Abdominal CT; axial view; 768x768 px
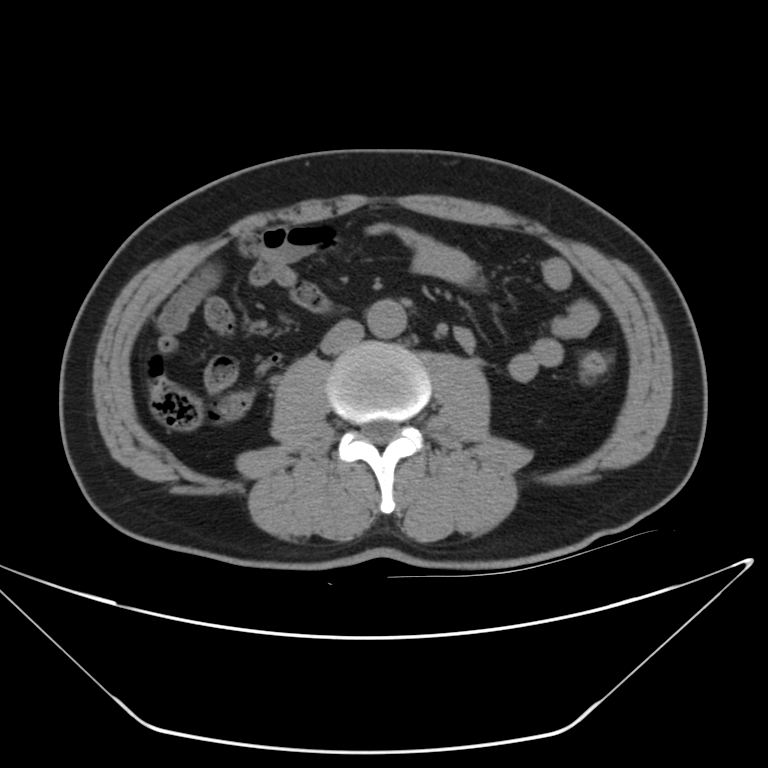

Boxes are (x1, y1, x2, y2) in pixels.
aorta: (366, 300, 408, 338)
inferior vena cava: (321, 322, 361, 353)